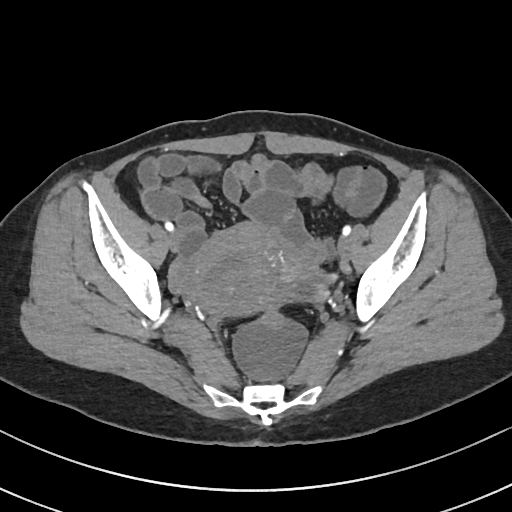
CT, abdomen/pelvis · axial view · 512x512 px
Coordinates as <box>x1,y1,x2,y2</box> in pixels.
prostate/uterus: <box>188,224,275,315</box>